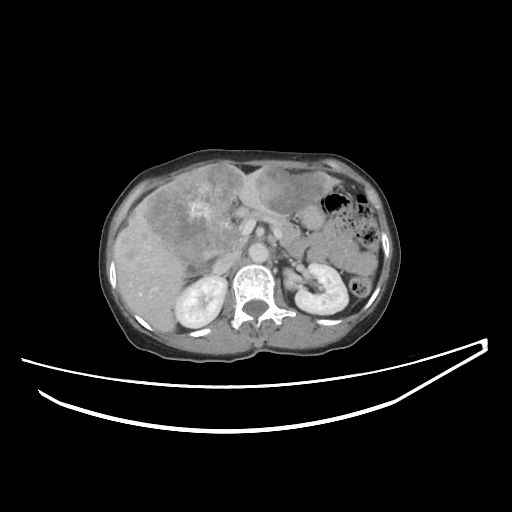

CT abdomen; axial view; abdomen soft-tissue window; 62-year-old female patient
Organ boxes in pixel coordinates; each row gives the top-left (x1, y1) and bottom-right (x2, y2) corners.
| organ | x1 | y1 | x2 | y2 |
|---|---|---|---|---|
| right kidney | 174 | 276 | 226 | 328 |
| left kidney | 284 | 263 | 348 | 314 |
| gall bladder | 182 | 262 | 211 | 277 |
| liver | 113 | 164 | 339 | 332 |
| stomach | 297 | 205 | 323 | 228 |
| aorta | 248 | 242 | 268 | 262 |
| inferior vena cava | 212 | 250 | 240 | 274 |
| pancreas | 244 | 210 | 300 | 246 |
| left adrenal gland | 282 | 252 | 288 | 257 |